CT, abdomen/pelvis. Axial slice 335/353. soft-tissue window (W 400 / L 40). 512x512 px. 14 organs annotated in this scan (counted over the whole 3D scan, not this slice; an organ is boxed only where this slice passes through it)
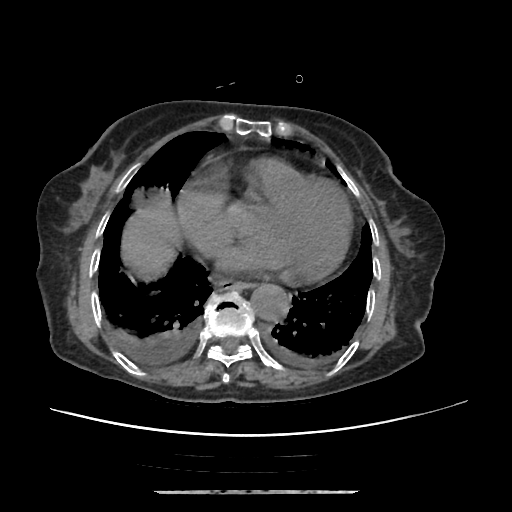
<organs><organ name="esophagus" x1="216" y1="279" x2="251" y2="289"/><organ name="liver" x1="121" y1="202" x2="178" y2="278"/><organ name="aorta" x1="250" y1="284" x2="289" y2="320"/></organs>